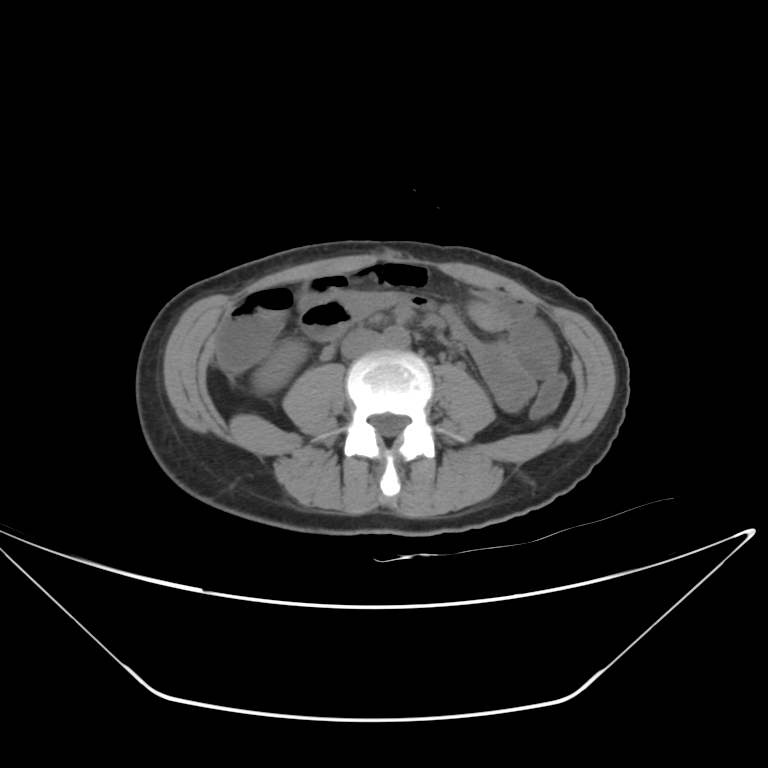 CT abdomen — axial plane, index 49 — 768x768 px
<organs><organ name="inferior vena cava" x1="342" y1="330" x2="382" y2="358"/><organ name="aorta" x1="383" y1="327" x2="409" y2="349"/><organ name="right kidney" x1="251" y1="339" x2="307" y2="393"/></organs>